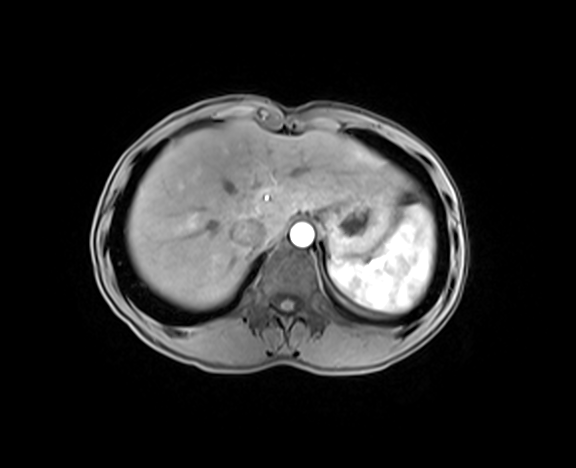
Magnetic resonance imaging, abdomen — Axial slice 54/72 — 1st–99th percentile window — 576x468 px — acquired on Prisma
One row per box, in pixels: columns x1 and y1 give the top-left corner, x2 and y2 the bottom-right.
| organ | x1 | y1 | x2 | y2 |
|---|---|---|---|---|
| spleen | 329 | 204 | 435 | 312 |
| liver | 126 | 121 | 401 | 308 |
| stomach | 321 | 190 | 396 | 257 |
| aorta | 290 | 223 | 313 | 246 |
| inferior vena cava | 232 | 221 | 265 | 247 |